Computed tomography, abdomen — axial view — W/L 400/40 HU
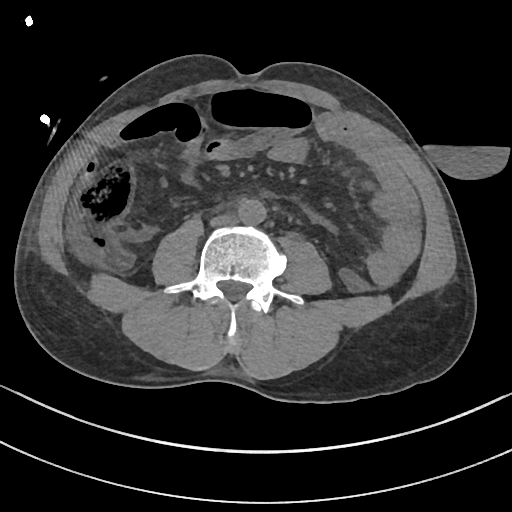 Bounding boxes as [x1, y1, x2, y2] in pixel coordinates.
Organ bounding boxes:
- aorta: [238, 199, 266, 224]
- inferior vena cava: [210, 214, 236, 226]